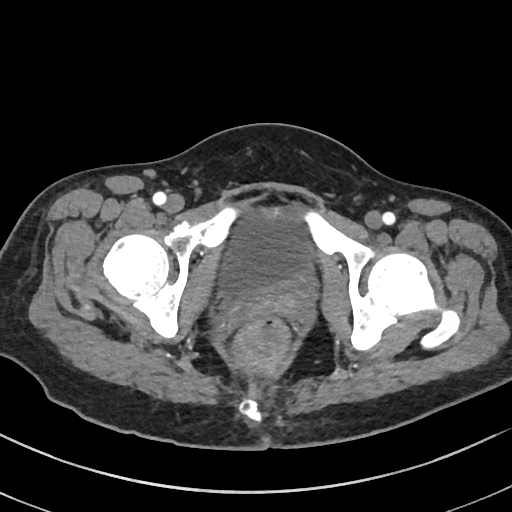
Computed tomography, abdomen. axial view. 512x512 px. acquired on SOMATOM Force
Boxes: x1:y1:x2:y2 in pixels.
bladder: 220:215:311:295